CT abdomen; Axial slice 68/85; 31-year-old female patient; scan has 15 labeled organs (counted over the whole 3D scan, not this slice; an organ is boxed only where this slice passes through it)
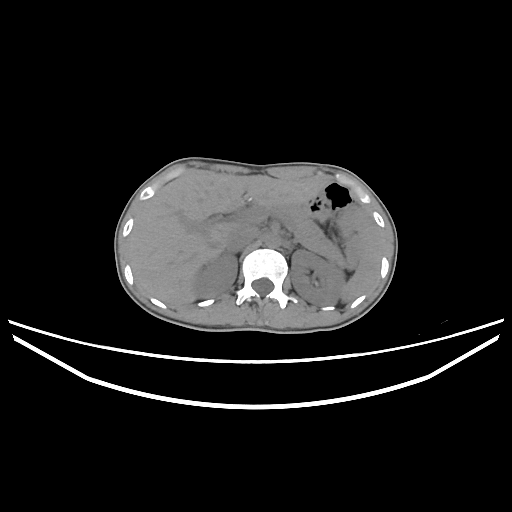 <organs><organ name="liver" x1="131" y1="173" x2="327" y2="306"/><organ name="aorta" x1="265" y1="233" x2="281" y2="247"/><organ name="pancreas" x1="275" y1="203" x2="347" y2="266"/><organ name="inferior vena cava" x1="226" y1="223" x2="259" y2="251"/><organ name="left kidney" x1="291" y1="250" x2="345" y2="305"/><organ name="spleen" x1="341" y1="217" x2="381" y2="302"/><organ name="right kidney" x1="192" y1="253" x2="237" y2="297"/></organs>